CT, abdomen/pelvis · axial view · soft-tissue window · 512x512 px · 15 organs annotated in this scan (counted over the whole 3D scan, not this slice; an organ is boxed only where this slice passes through it)
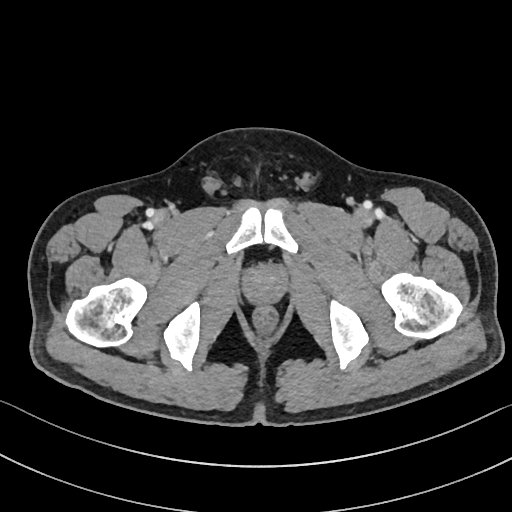

{"organs":{"prostate/uterus":[241,265,288,305]}}